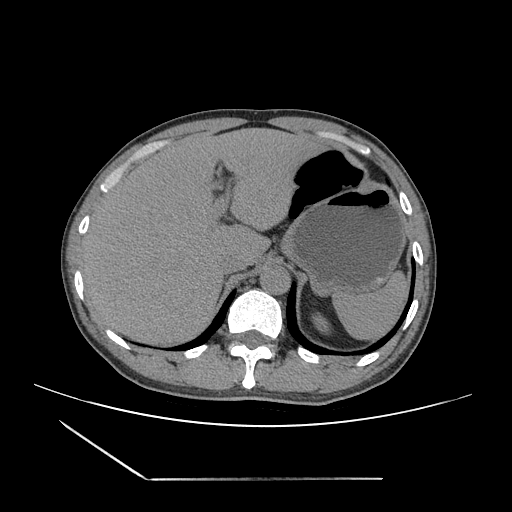
Computed tomography, abdomen; axial view; W/L 400/40 HU; 512x512 px; scan has 15 labeled organs (that count is for the whole scan; organs this slice misses have no box)
<organs><organ name="liver" x1="81" y1="128" x2="324" y2="344"/><organ name="inferior vena cava" x1="218" y1="252" x2="247" y2="274"/><organ name="aorta" x1="260" y1="265" x2="290" y2="294"/><organ name="left kidney" x1="312" y1="312" x2="330" y2="333"/><organ name="stomach" x1="280" y1="183" x2="406" y2="295"/><organ name="spleen" x1="332" y1="271" x2="408" y2="339"/></organs>